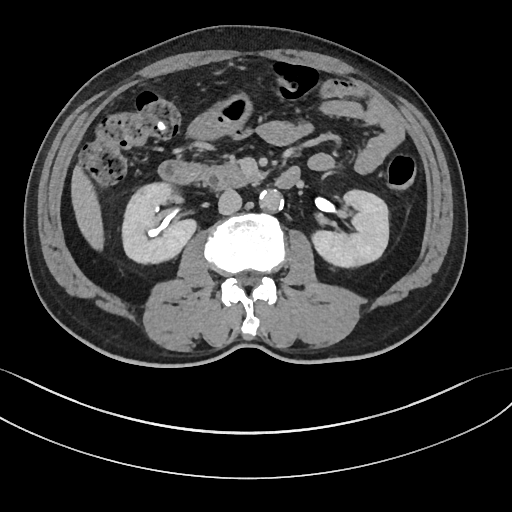
Abdominal CT — axial view
Boxes: x1:y1:x2:y2 in pixels. Labeled organs on this slice: right kidney at 123:183:197:265, left kidney at 311:191:388:268, liver at 71:163:103:249, stomach at 185:93:250:140, aorta at 259:190:283:212, inferior vena cava at 218:189:241:214, pancreas at 203:160:261:189, duodenum at 158:161:300:189.